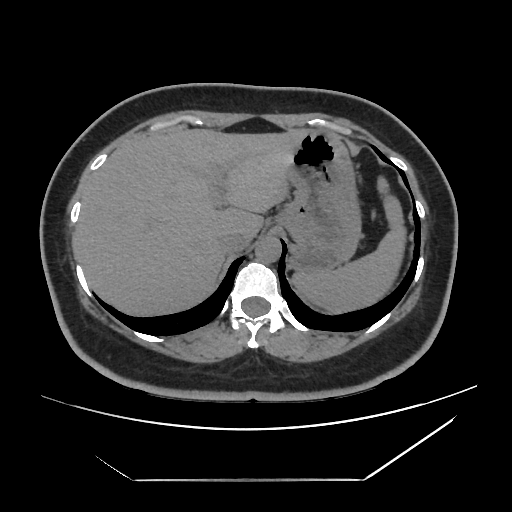 Abdominal CT — axial view — soft-tissue window — scan has 15 labeled organs (a whole-scan count: organs this slice does not pass through have no box)
{"organs":{"spleen":[293,178,404,311],"liver":[74,128,307,315],"stomach":[273,130,361,271],"aorta":[255,236,280,263],"inferior vena cava":[219,232,251,253]}}